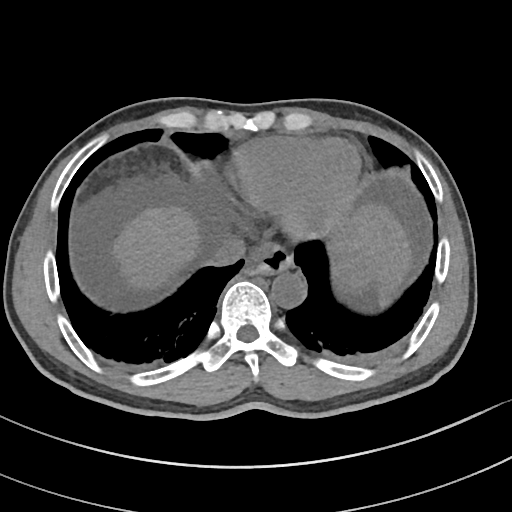 Computed tomography, abdomen. Axial slice 191/206. 512x512 px
{"organs":{"spleen":[329,238,377,293],"esophagus":[245,243,292,274],"liver":[108,199,415,307],"aorta":[271,270,306,307],"inferior vena cava":[202,234,245,265]}}